Abdominal CT. axial view
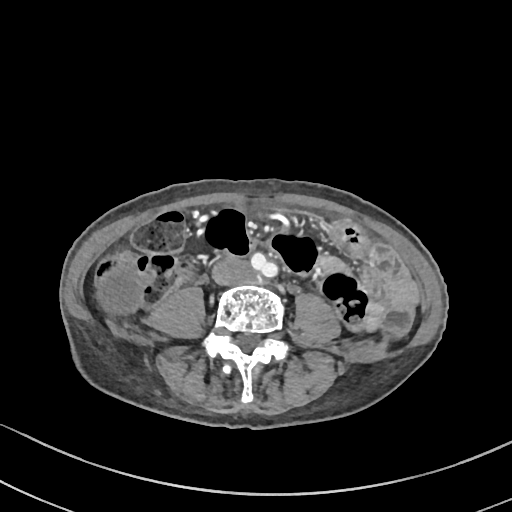 Coordinates as <box>x1,y1,x2,y2</box> in pixels. The annotated organs in this slice are: gall bladder at <box>97,273,143,317</box>, inferior vena cava at <box>212,257,251,285</box>.